Abdominal CT reaching into the chest; this slice is in the chest — Axial slice 268/307 — W/L 400/40 HU
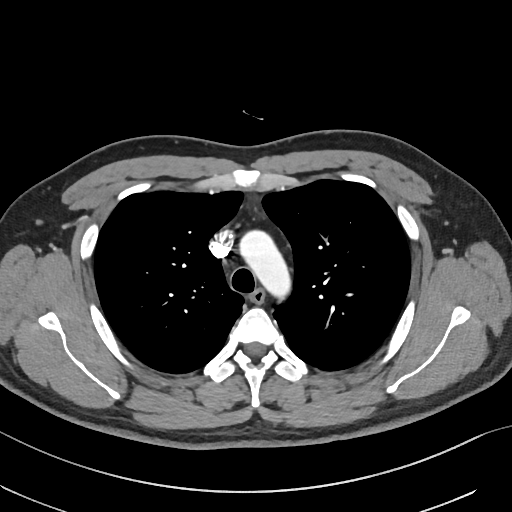
At this level of the chest no structure but the esophagus and the aorta has a label in this dataset, and those two are boxed only where they are labeled.
{"organs":{"esophagus":[249,287,265,302],"aorta":[241,231,291,296]}}